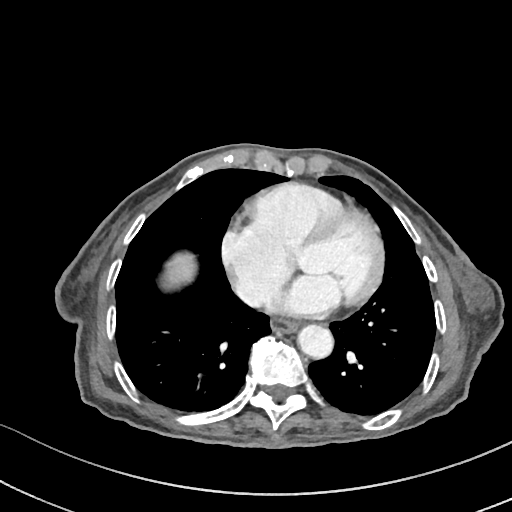 Computed tomography, abdomen. axial view. 512x512 px
Boxes: x1 y1 x2 y2 (pixel coords, space-separated).
Organ bounding boxes:
- esophagus: 270 318 296 332
- aorta: 297 323 332 358
- inferior vena cava: 236 282 258 305
- liver: 165 252 196 286